Computed tomography, abdomen — axial plane, index 149 — W/L 400/40 HU
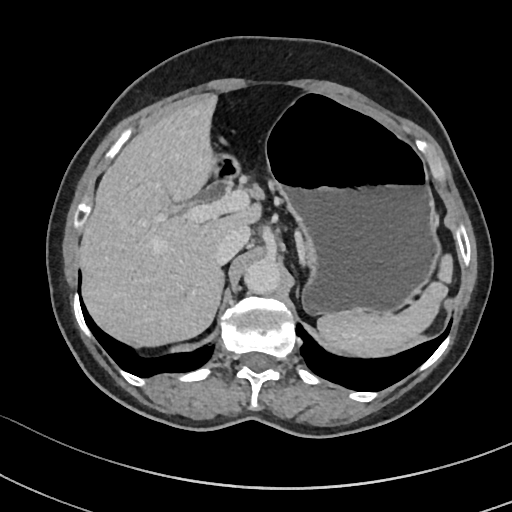
Boxes: x1:y1:x2:y2 in pixels.
duodenum: 209:154:241:180
spleen: 318:253:452:356
left adrenal gland: 293:282:299:296
aorta: 245:257:280:293
pancreas: 299:235:311:267
stomach: 228:95:437:313
inferior vena cava: 215:225:250:265
liver: 79:94:261:348